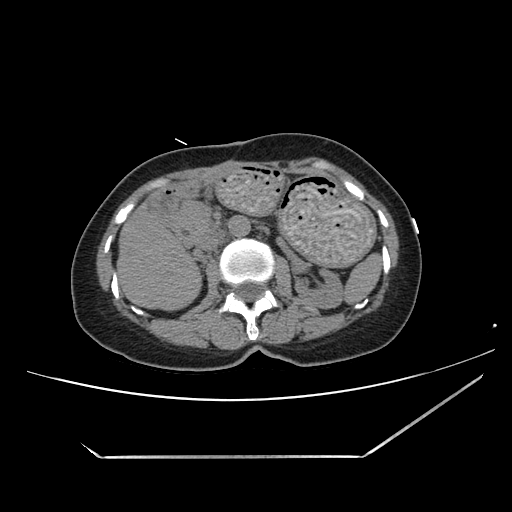
Computed tomography, abdomen · axial view · 14 organs annotated in this scan (a whole-scan count: organs this slice does not pass through have no box)
Boxes: x1:y1:x2:y2 in pixels. The annotated organs in this slice are: stomach at 174:164:374:264, pancreas at 172:198:213:244, left kidney at 295:268:342:309, inferior vena cava at 197:233:223:252, liver at 117:199:202:310, duodenum at 146:188:191:246, aorta at 229:216:250:237, spleen at 343:252:382:305.